Computed tomography, abdomen; axial view
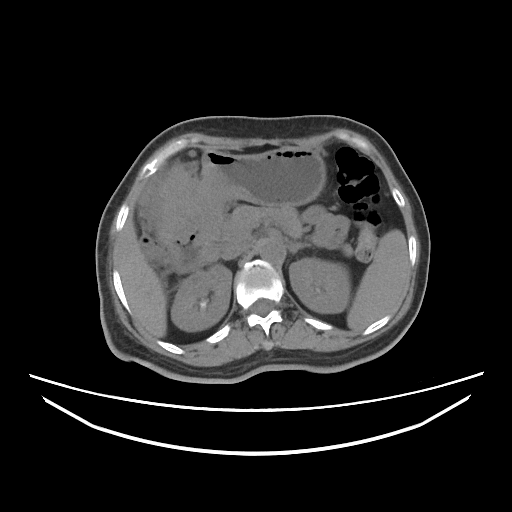 {"organs":{"spleen":[347,229,408,330],"right kidney":[171,264,231,331],"left kidney":[289,258,350,313],"liver":[117,215,166,337],"stomach":[152,147,326,243],"aorta":[258,239,284,263],"inferior vena cava":[220,242,249,260],"pancreas":[223,205,353,256],"left adrenal gland":[289,242,309,254],"duodenum":[170,241,214,272]}}